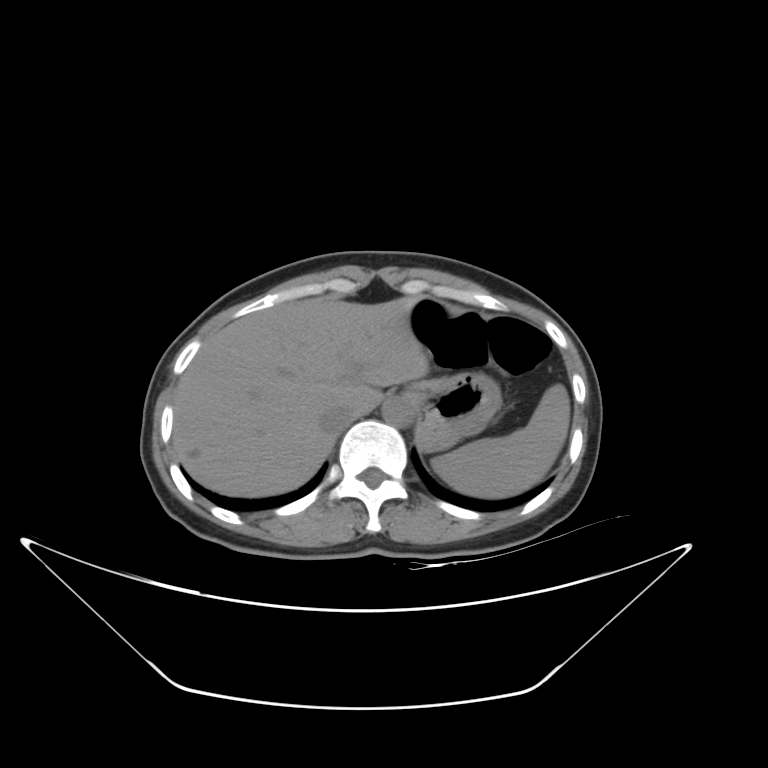 Computed tomography, abdomen; axial view; soft-tissue window (W 400 / L 40); 768x768 px; 43-year-old female patient
Bounding boxes as [x1, y1, x2, y2] in pixel coordinates.
spleen: [432, 384, 569, 498]
liver: [172, 297, 428, 496]
stomach: [405, 373, 501, 451]
aorta: [381, 397, 414, 427]
inferior vena cava: [319, 404, 354, 432]